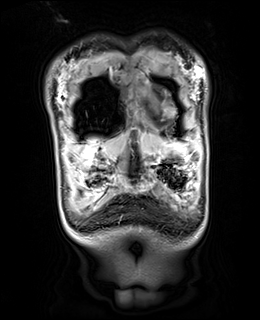

Abdominal MRI · coronal plane, index 112 · percentile-normalized · 260x320 px · acquired on Prisma
<organs><organ name="liver" x1="86" y1="136" x2="161" y2="156"/><organ name="stomach" x1="158" y1="143" x2="190" y2="164"/></organs>